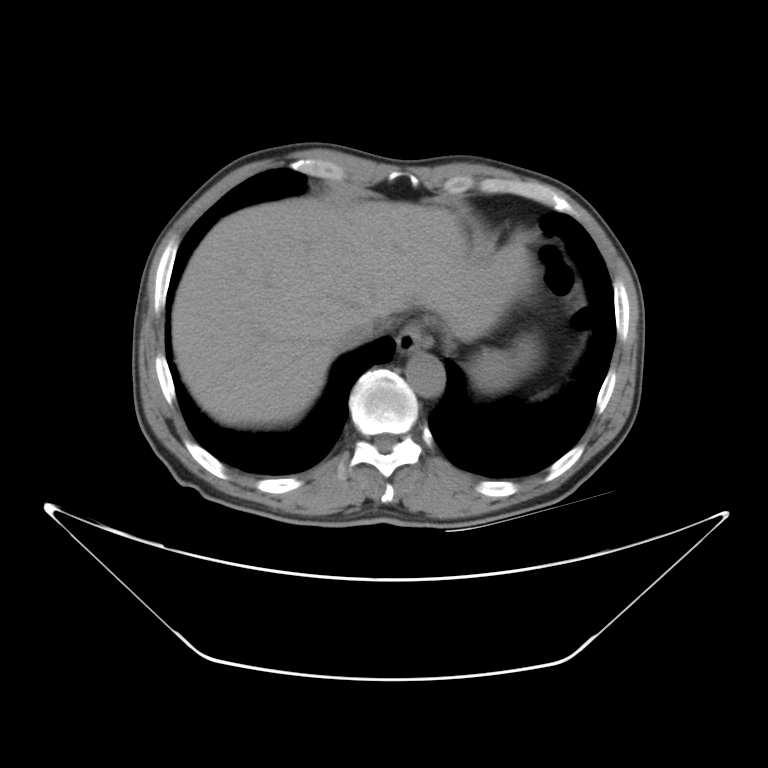 CT, abdomen/pelvis. axial view
Each box given as x1,y1,x2,y2. The annotated organs in this slice are: esophagus at x1=396, y1=326, x2=422, y2=357, inferior vena cava at x1=334, y1=319, x2=397, y2=352, aorta at x1=406, y1=353, x2=443, y2=394, liver at x1=172, y1=198, x2=532, y2=423, stomach at x1=415, y1=316, x2=533, y2=391, spleen at x1=521, y1=384, x2=561, y2=403.